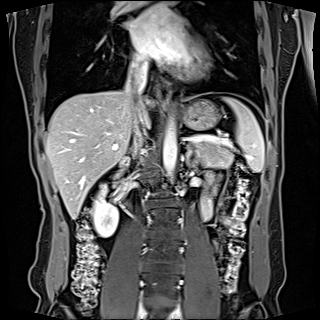

Abdominal MR. Coronal slice 31/60. 1st–99th percentile window. scan has 13 labeled organs (a whole-scan count: organs this slice does not pass through have no box)
<organs><organ name="spleen" x1="223" y1="97" x2="264" y2="172"/><organ name="right kidney" x1="93" y1="190" x2="118" y2="237"/><organ name="esophagus" x1="159" y1="86" x2="170" y2="108"/><organ name="liver" x1="45" y1="89" x2="150" y2="219"/><organ name="stomach" x1="181" y1="99" x2="219" y2="130"/><organ name="aorta" x1="163" y1="120" x2="177" y2="180"/><organ name="inferior vena cava" x1="125" y1="61" x2="147" y2="153"/><organ name="pancreas" x1="196" y1="141" x2="233" y2="167"/><organ name="left adrenal gland" x1="186" y1="145" x2="198" y2="165"/><organ name="duodenum" x1="121" y1="156" x2="129" y2="166"/></organs>